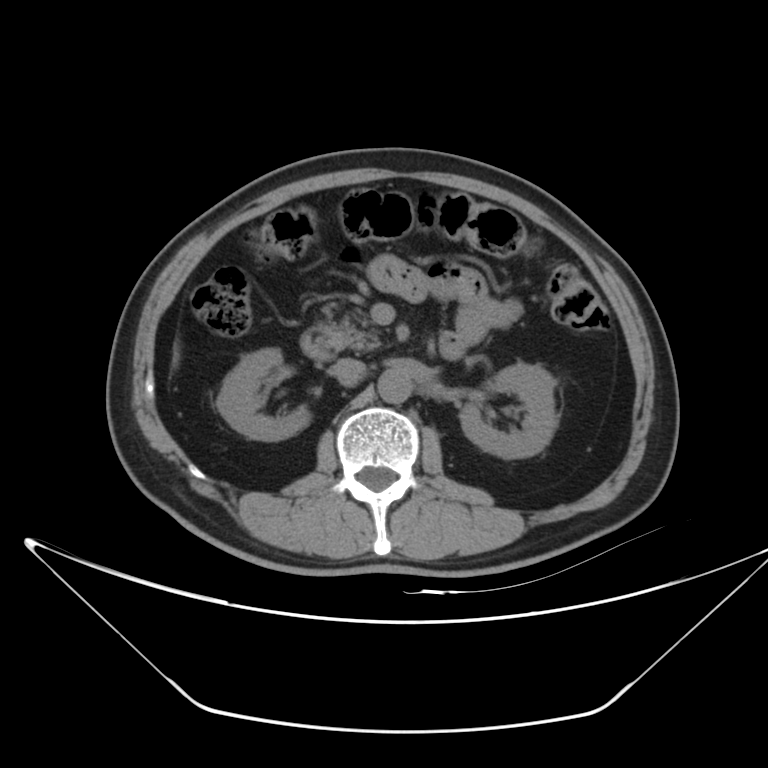

CT, abdomen/pelvis — axial plane, index 60 — W/L 400/40 HU — 56-year-old male patient
Organ boxes in pixel coordinates; each row gives the top-left (x1, y1) and bottom-right (x2, y2) corners.
| organ | x1 | y1 | x2 | y2 |
|---|---|---|---|---|
| left kidney | 459 | 363 | 556 | 458 |
| right kidney | 217 | 347 | 311 | 441 |
| duodenum | 300 | 327 | 335 | 360 |
| inferior vena cava | 332 | 357 | 365 | 386 |
| pancreas | 317 | 320 | 380 | 350 |
| aorta | 377 | 368 | 413 | 403 |